Computed tomography, abdomen. axial view. soft-tissue window. 512x512 px
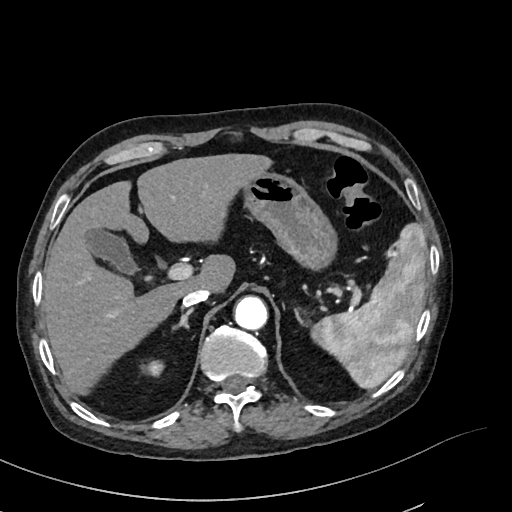

Boxes: x1 y1 x2 y2 (pixel coords, space-separated).
Organ bounding boxes:
- spleen: 311 223 427 388
- right kidney: 148 360 164 375
- gall bladder: 86 229 138 274
- liver: 43 153 272 394
- stomach: 242 171 337 270
- aorta: 234 296 267 330
- inferior vena cava: 182 288 209 306
- right adrenal gland: 171 308 193 330
- left adrenal gland: 295 309 307 325